CT, abdomen/pelvis; Axial slice 59/244; W/L 400/40 HU; 512x512 px
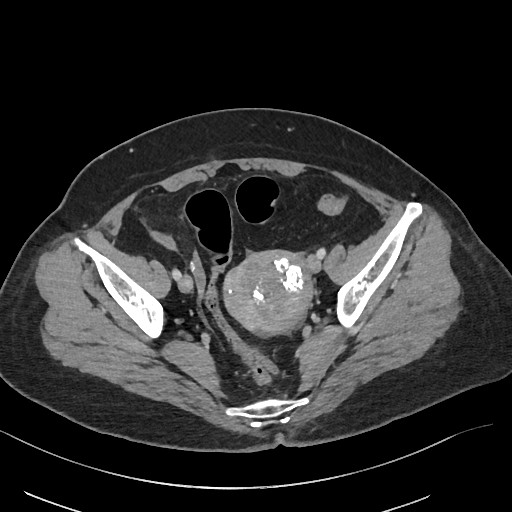 Coordinates as <box>x1,y1,x2,y2</box> in pixels. 1 labeled organ on this slice — prostate/uterus at <box>224,251,312,333</box>.